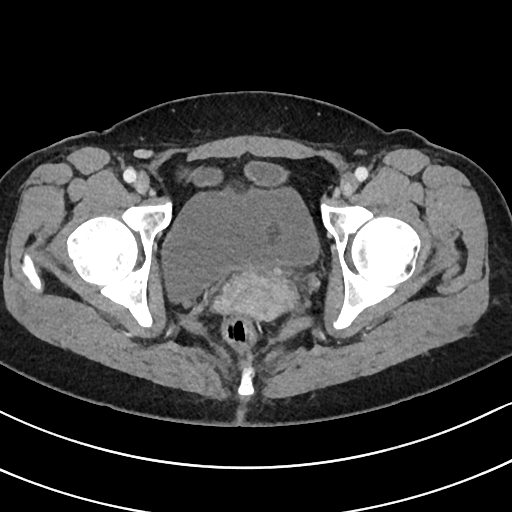 CT abdomen · axial view · 512x512 px
{"organs":{"bladder":[162,185,319,300],"prostate/uterus":[215,273,297,319]}}